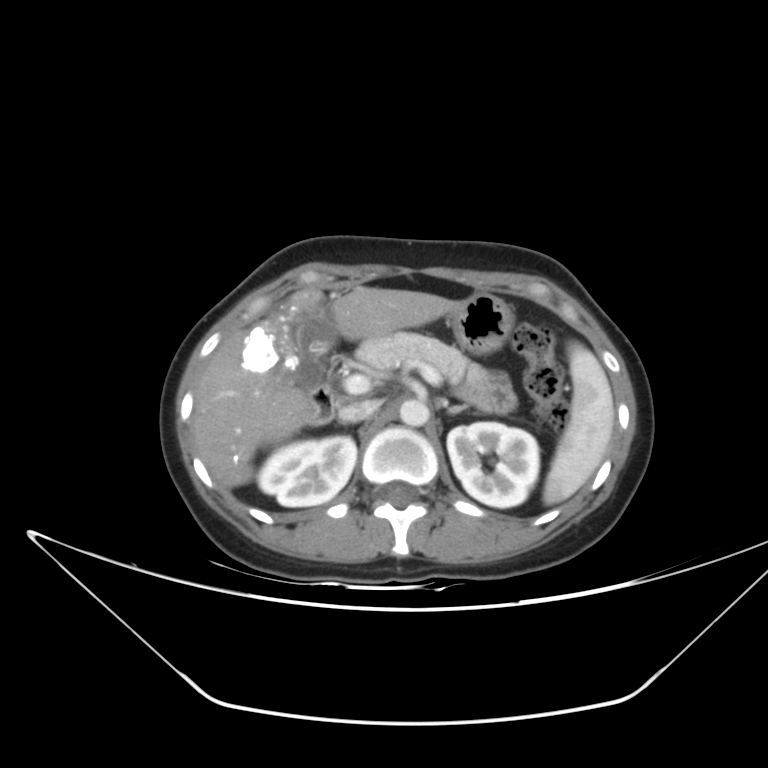 CT, abdomen/pelvis; axial view; abdomen soft-tissue window
One row per box, in pixels: columns x1 and y1 give the top-left corner, x2 and y2 the bottom-right.
| organ | x1 | y1 | x2 | y2 |
|---|---|---|---|---|
| spleen | 543 | 343 | 615 | 504 |
| stomach | 448 | 293 | 513 | 353 |
| duodenum | 310 | 382 | 335 | 424 |
| aorta | 399 | 399 | 429 | 426 |
| left adrenal gland | 446 | 404 | 467 | 414 |
| liver | 191 | 287 | 460 | 487 |
| gall bladder | 290 | 301 | 337 | 391 |
| inferior vena cava | 339 | 401 | 381 | 422 |
| left kidney | 447 | 422 | 538 | 507 |
| right kidney | 257 | 435 | 356 | 507 |
| pancreas | 354 | 332 | 482 | 387 |